CT abdomen · Axial slice 74/82 · soft-tissue window · 66-year-old male patient
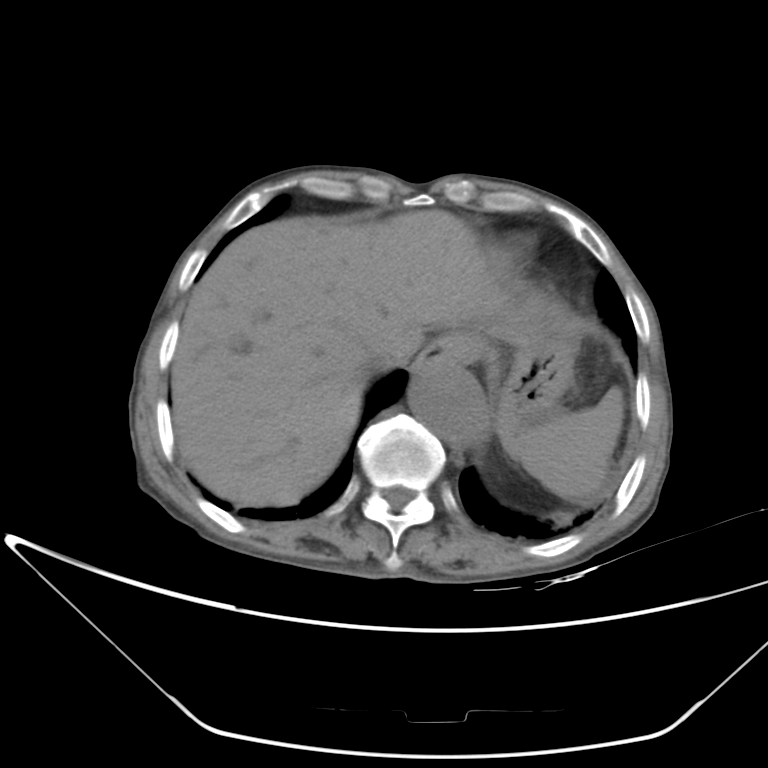

Boxes: x1 y1 x2 y2 (pixel coords, space-separated). Labeled organs on this slice: spleen at 502 386 622 499, esophagus at 411 339 457 377, liver at 170 209 546 506, stomach at 443 334 574 434, aorta at 409 362 486 441, inferior vena cava at 362 352 395 374.